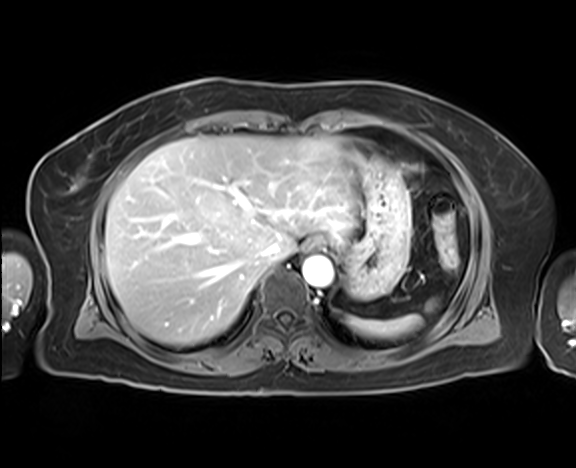
Magnetic resonance imaging, abdomen; axial view; 576x468 px; scan has 13 labeled organs (that count is for the whole scan; organs this slice misses have no box)
{"organs":{"spleen":[346,297,437,337],"esophagus":[306,237,326,249],"liver":[105,135,360,345],"stomach":[332,143,411,299],"aorta":[302,255,333,287],"inferior vena cava":[263,242,280,260]}}